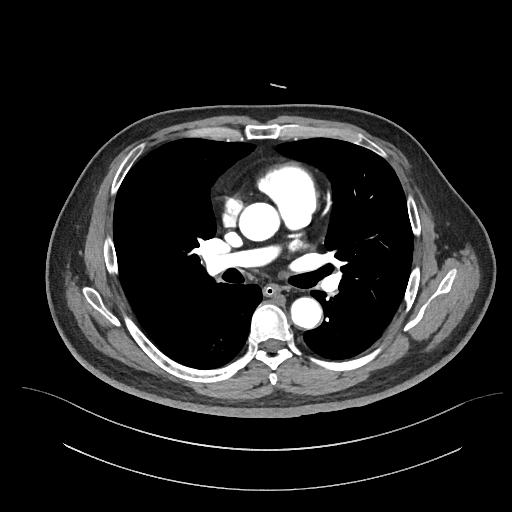

CT of the abdomen extending into the chest, slice through the chest. axial plane, index 261. W/L 400/40 HU. scan has 15 labeled organs (a whole-scan count: organs this slice does not pass through have no box)
On a slice this high in the chest, this dataset labels only the esophagus and the aorta, and each is boxed only where it is labeled; the heart, lungs and other chest structures are not labeled. Each box given as x1,y1,x2,y2. The annotated organs in this slice are: esophagus at x1=263, y1=284, x2=280, y2=296, aorta at x1=239, y1=202, x2=279, y2=240, aorta at x1=291, y1=297, x2=322, y2=328.